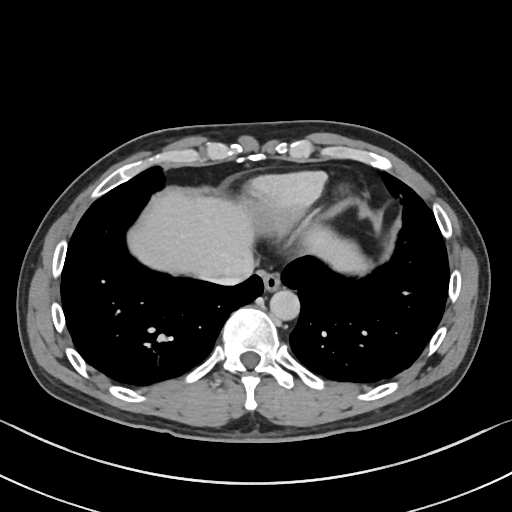 Computed tomography, abdomen · axial plane, index 181 · soft-tissue window (W 400 / L 40) · 15 organs annotated in this scan (that count is for the whole scan; organs this slice misses have no box)
Bounding boxes in pixels, one row per box: x1, y1 is the top-left corner and x2, y2 the bottom-right.
| organ | x1 | y1 | x2 | y2 |
|---|---|---|---|---|
| esophagus | 259 | 271 | 280 | 291 |
| liver | 127 | 187 | 367 | 277 |
| aorta | 270 | 290 | 299 | 320 |
| inferior vena cava | 199 | 265 | 253 | 285 |